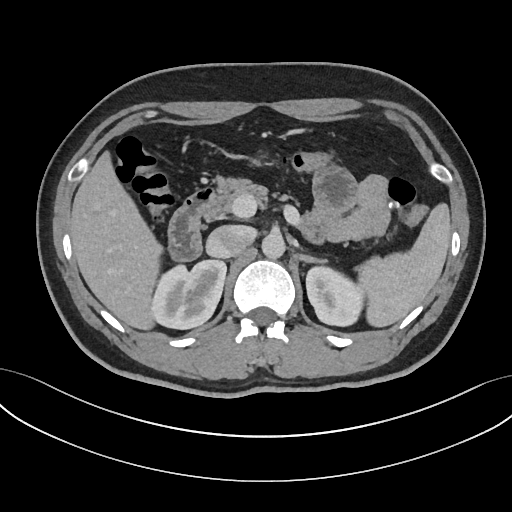
CT abdomen; axial view
Boxes: x1 y1 x2 y2 (pixel coords, space-separated).
right kidney: 151 259 226 329
duodenum: 167 190 213 259
spleen: 358 203 450 326
aorta: 261 233 284 258
inferior vena cava: 205 224 255 257
liver: 70 154 161 328
left kidney: 306 265 364 326
left adrenal gland: 296 253 327 263
pancreas: 205 176 267 221